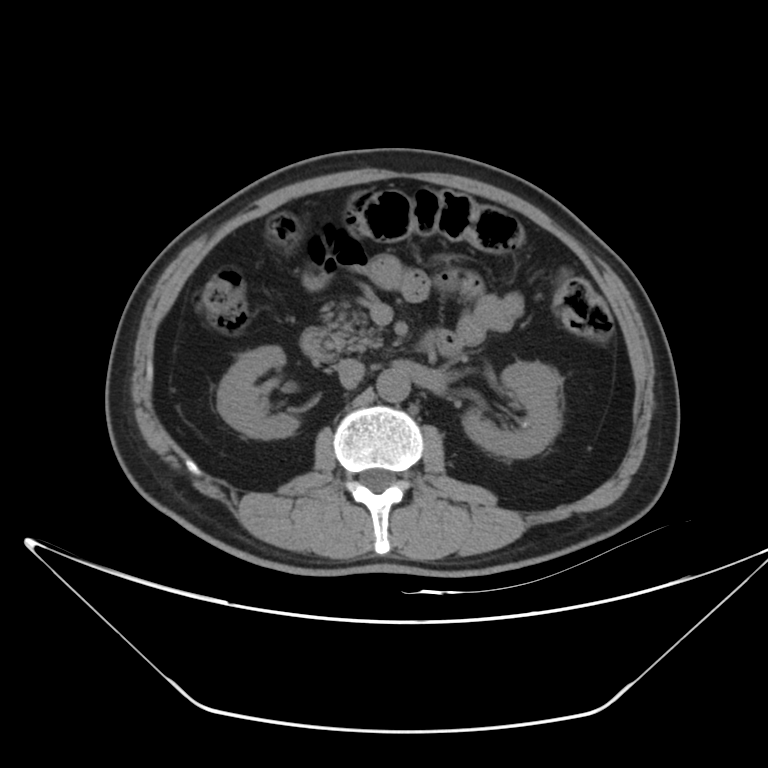 CT abdomen — axial view — soft-tissue window (W 400 / L 40) — 768x768 px
Boxes: x1:y1:x2:y2 in pixels.
right kidney: 217:346:299:438
left kidney: 462:361:560:458
aorta: 375:368:410:401
inferior vena cava: 336:358:365:387
pancreas: 322:307:382:350
duodenum: 300:327:457:362